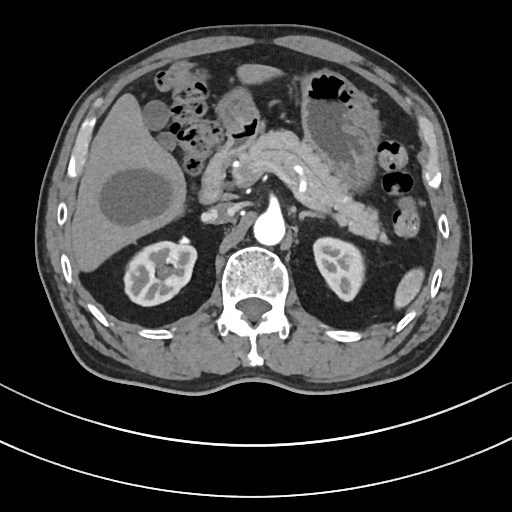

CT abdomen — axial view — W/L 400/40 HU — 512x512 px — scan has 15 labeled organs (counted over the whole 3D scan, not this slice; an organ is boxed only where this slice passes through it)
Box edges are left/top/right/bottom in pixels.
Organ bounding boxes:
- duodenum: left=197, top=117, right=262, bottom=205
- left adrenal gland: left=298, top=210, right=321, bottom=218
- stomach: left=216, top=69, right=376, bottom=186
- gall bladder: left=142, top=101, right=177, bottom=148
- inferior vena cava: left=203, top=203, right=235, bottom=223
- left kidney: left=312, top=236, right=363, bottom=301
- liver: left=71, top=65, right=279, bottom=269
- aorta: left=253, top=211, right=285, bottom=244
- right kidney: left=123, top=242, right=197, bottom=306
- pancreas: left=236, top=128, right=379, bottom=238
- spleen: left=393, top=270, right=424, bottom=307